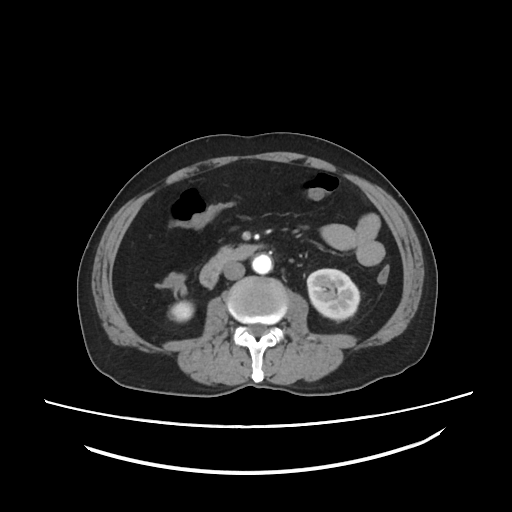 CT, abdomen/pelvis · axial view · soft-tissue window · 512x512 px · 68-year-old male patient · Aquilion ONE scanner
Boxes are (x1, y1, x2, y2) in pixels. 5 labeled organs on this slice — inferior vena cava at (224, 262, 244, 279); duodenum at (199, 244, 260, 287); right kidney at (170, 301, 193, 321); aorta at (252, 254, 272, 274); left kidney at (307, 269, 359, 319).